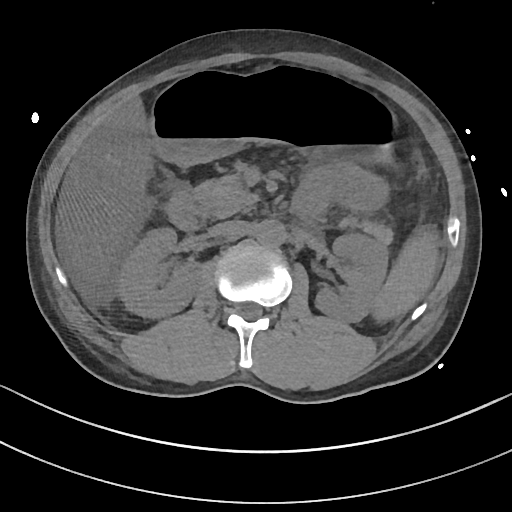
Abdominal CT; axial view; abdomen soft-tissue window; SOMATOM Force scanner
Organ boxes in pixel coordinates; each row gives the top-left (x1, y1) and bottom-right (x2, y2) corners.
| organ | x1 | y1 | x2 | y2 |
|---|---|---|---|---|
| inferior vena cava | 208 | 220 | 244 | 236 |
| spleen | 374 | 234 | 437 | 318 |
| stomach | 150 | 70 | 391 | 164 |
| pancreas | 197 | 176 | 392 | 243 |
| duodenum | 165 | 189 | 207 | 229 |
| aorta | 256 | 218 | 285 | 246 |
| liver | 59 | 99 | 150 | 274 |
| left kidney | 315 | 232 | 388 | 321 |
| right kidney | 116 | 227 | 200 | 317 |